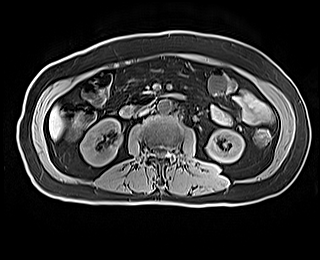
MRI, abdomen; Axial slice 14/72; scan has 13 labeled organs (that count is for the whole scan; organs this slice misses have no box)
Boxes are (x1, y1, x2, y2) in pixels.
right kidney: (80, 118, 122, 166)
inferior vena cava: (139, 108, 149, 115)
left kidney: (206, 129, 244, 162)
liver: (49, 106, 63, 139)
aorta: (157, 99, 171, 113)
duodenum: (120, 93, 184, 117)